Computed tomography, abdomen · axial view
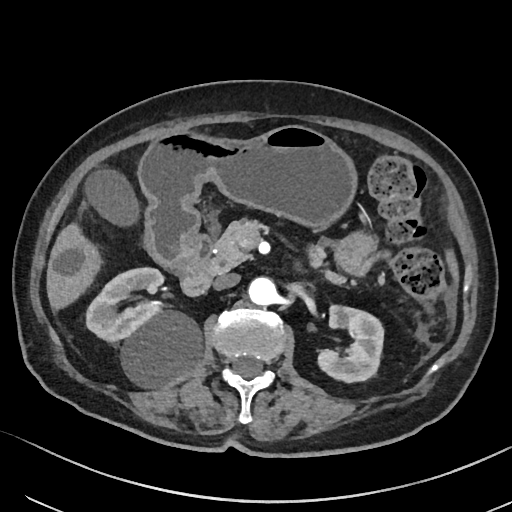
One row per box, in pixels: columns x1 and y1 give the top-left corner, x2 and y2 the bottom-right.
| organ | x1 | y1 | x2 | y2 |
|---|---|---|---|---|
| right kidney | 86 | 267 | 202 | 388 |
| duodenum | 172 | 233 | 212 | 295 |
| left kidney | 318 | 305 | 384 | 382 |
| gall bladder | 85 | 169 | 139 | 226 |
| pancreas | 208 | 218 | 353 | 285 |
| aorta | 248 | 277 | 276 | 305 |
| inferior vena cava | 213 | 273 | 239 | 289 |
| stomach | 138 | 125 | 357 | 268 |
| liver | 46 | 223 | 102 | 310 |